CT, abdomen/pelvis · axial view · Aquilion ONE scanner
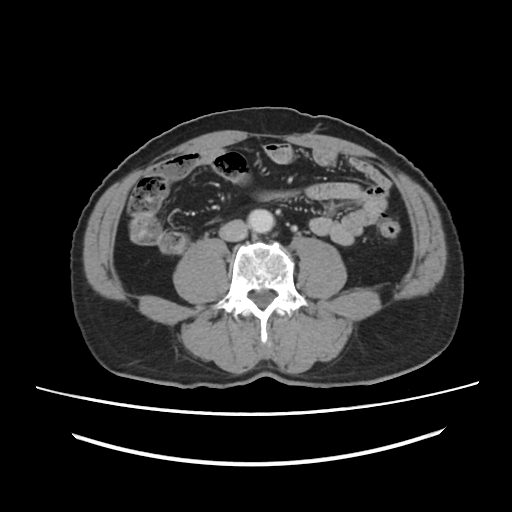 Coordinates as <box>x1,y1,x2,y2</box> in pixels.
Organ bounding boxes:
- aorta: <box>248,209,274,233</box>
- inferior vena cava: <box>219,219,247,241</box>